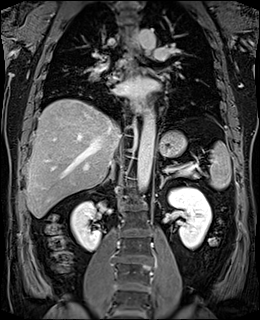

MRI, abdomen — coronal view — 260x320 px
Boxes are (x1, y1, x2, y2) in pixels.
Organ bounding boxes:
- aorta: (136, 109, 155, 191)
- aorta: (138, 29, 156, 51)
- esophagus: (133, 98, 144, 112)
- esophagus: (130, 30, 136, 47)
- esophagus: (135, 64, 141, 73)
- right kidney: (71, 201, 101, 251)
- inferior vena cava: (112, 135, 120, 165)
- pancreas: (167, 166, 197, 176)
- stomach: (158, 131, 186, 157)
- left adrenal gland: (160, 174, 169, 188)
- right adrenal gland: (101, 166, 114, 185)
- left kidney: (168, 187, 211, 248)
- liver: (26, 98, 120, 218)
- spleen: (209, 141, 231, 188)